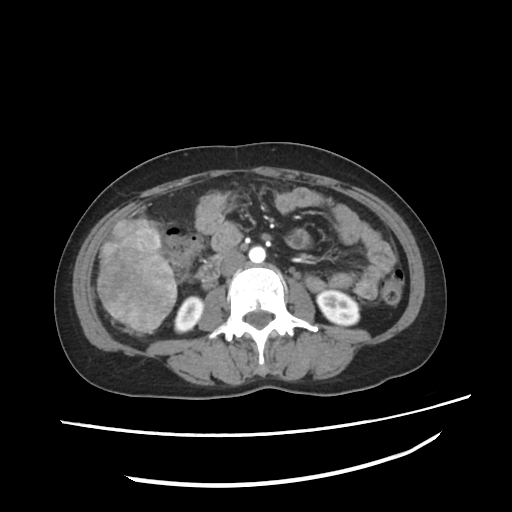 CT abdomen — Axial slice 45/78 — abdomen soft-tissue window — 512x512 px — 47-year-old female patient — acquired on Aquilion ONE — scan has 15 labeled organs (that count is for the whole scan; organs this slice misses have no box)
Coordinates as <box>x1,y1,x2,y2</box> in pixels.
right kidney: <box>174,296,202,331</box>
left kidney: <box>316,290,359,325</box>
aorta: <box>249,246,265,262</box>
inferior vena cava: <box>222,255,244,276</box>
duodenum: <box>198,250,235,282</box>